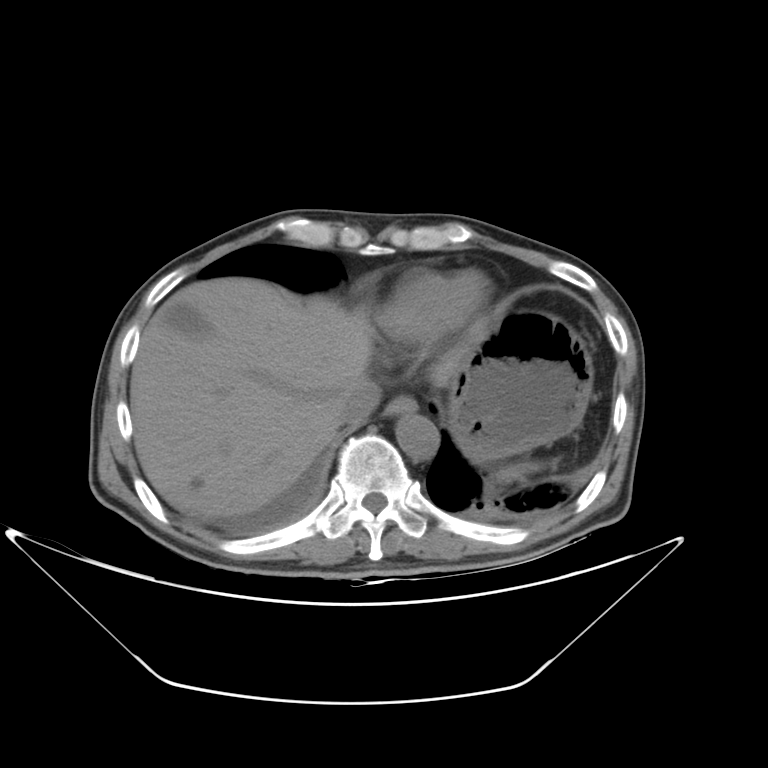
Abdominal CT. axial view. 65-year-old male patient. Brilliance16 scanner. 15 organs annotated in this scan (that count is for the whole scan; organs this slice misses have no box)
Boxes: x1:y1:x2:y2 in pixels.
spleen: 492:460:543:483
gall bladder: 161:303:210:338
esophagus: 381:395:417:416
liver: 130:277:487:519
stomach: 444:310:593:462
aorta: 395:415:439:459
inferior vena cava: 338:379:380:425